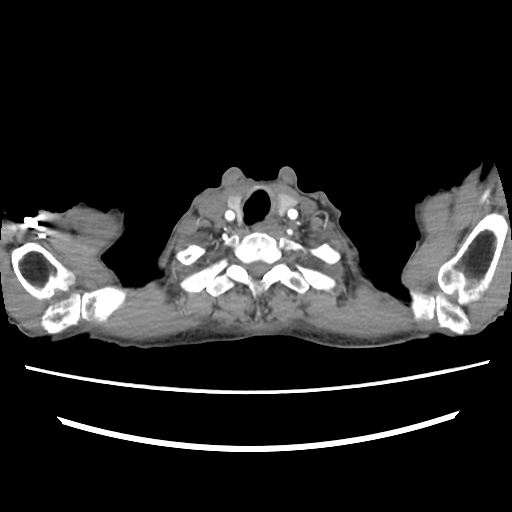

CT of the abdomen extending into the chest, slice through the chest — axial view — soft-tissue window, W/L 400/40
At this level of the chest no structure but the esophagus and the aorta has a label in this dataset, and those two are boxed only where they are labeled.
Each box given as x1,y1,x2,y2.
Organ bounding boxes:
- esophagus: x1=255, y1=220, x2=278, y2=233